Chest-level CT slice, above the liver and spleen · axial view · 512x512 px · 15 organs annotated in this scan (that count is for the whole scan; organs this slice misses have no box)
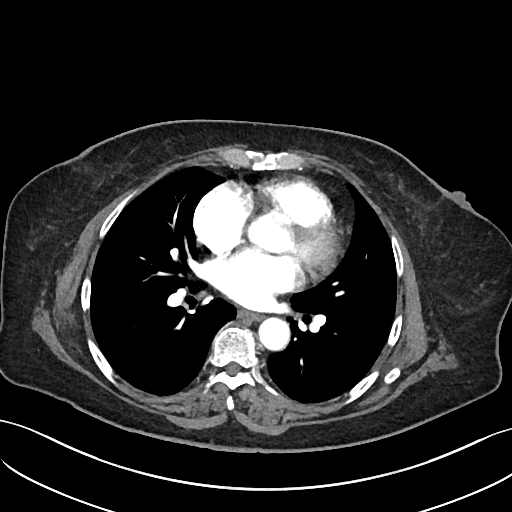 At this level of the chest this dataset labels only the esophagus and the aorta, and each is boxed only where it is labeled; the heart and lungs are never labeled.
Boxes are (x1, y1, x2, y2) in pixels.
esophagus: (239, 311, 261, 320)
aorta: (258, 317, 289, 350)